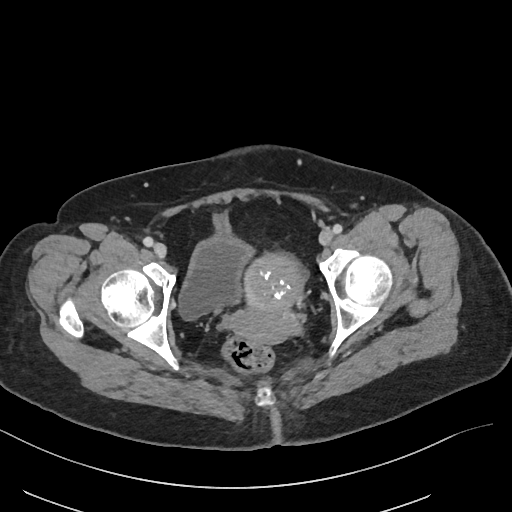

Computed tomography, abdomen · axial view · 512x512 px · scan has 15 labeled organs (a whole-scan count: organs this slice does not pass through have no box)
Bounding boxes as [x1, y1, x2, y2] in pixel coordinates. 2 labeled organs on this slice — bladder at [178, 210, 252, 320]; prostate/uterus at [230, 253, 304, 343].